Computed tomography, abdomen · axial view · 66-year-old male patient
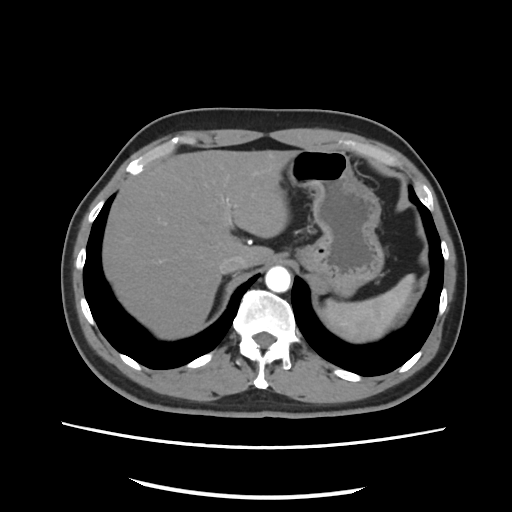
Boxes: x1:y1:x2:y2 in pixels. The annotated organs in this slice are: spleen at 326:275:415:341, liver at 103:150:298:337, stomach at 288:148:384:295, aorta at 264:265:290:291, inferior vena cava at 220:255:248:272.